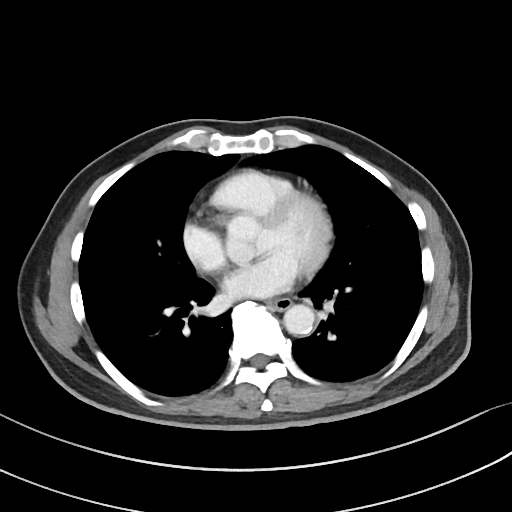

Lower-chest slice from an abdominal CT, just above the liver and spleen; axial plane, index 90; W/L 400/40 HU; acquired on SOMATOM Force
Of the structures in the chest, this dataset labels only the esophagus, the aorta and the inferior vena cava; the heart and lungs have no label. Each box given as x1,y1,x2,y2. 2 labeled organs on this slice — esophagus at x1=268, y1=298, x2=290, y2=310; aorta at x1=283, y1=304, x2=314, y2=334.